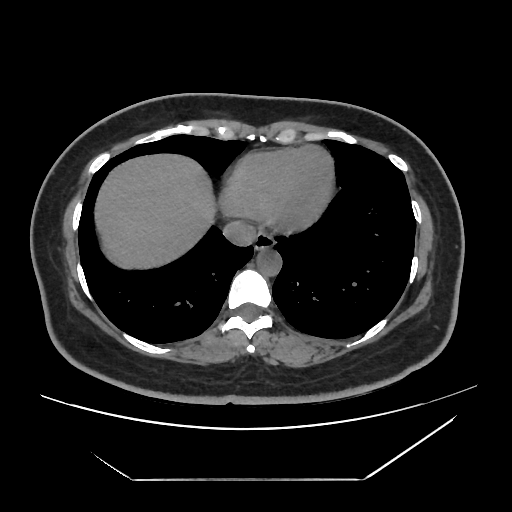 Abdominal CT. axial view
Each box given as x1,y1,x2,y2.
esophagus: x1=255, y1=231, x2=274, y2=249
liver: x1=93, y1=153, x2=216, y2=270
aorta: x1=256, y1=248, x2=281, y2=275
inferior vena cava: x1=222, y1=220, x2=256, y2=246